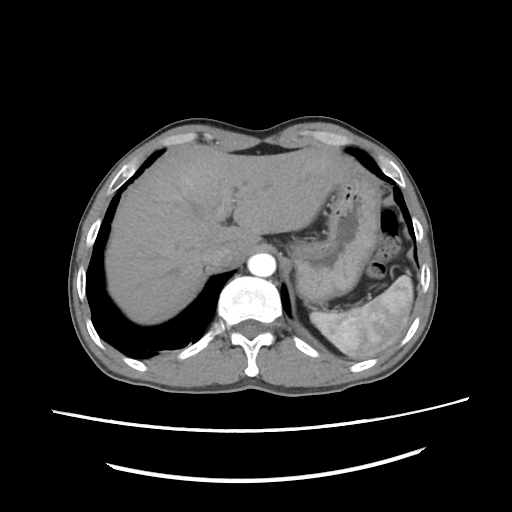 CT abdomen · axial view · 512x512 px · scan has 15 labeled organs (that count is for the whole scan; organs this slice misses have no box)
Coordinates as <box>x1,y1,x2,y2</box> in pixels.
inferior vena cava: <box>201,244,231,268</box>
liver: <box>105,142,345,323</box>
spleen: <box>310,275,413,358</box>
aorta: <box>247,254,277,276</box>
stomach: <box>289,162,380,302</box>